Abdominal CT. axial view. soft-tissue window (W 400 / L 40). acquired on Brilliance16
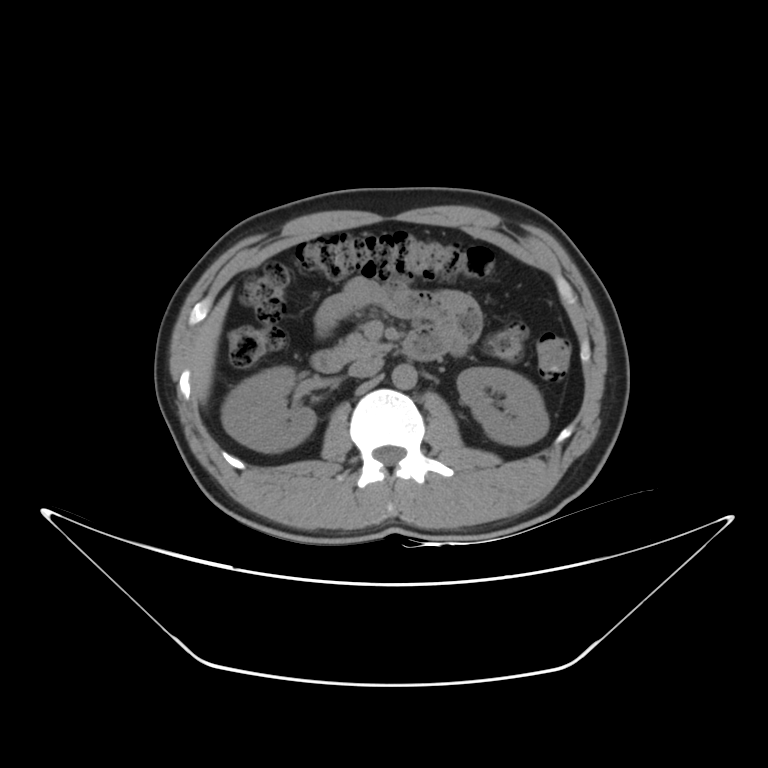 <organs><organ name="right kidney" x1="221" y1="366" x2="316" y2="451"/><organ name="left kidney" x1="456" y1="366" x2="549" y2="445"/><organ name="liver" x1="190" y1="288" x2="232" y2="403"/><organ name="aorta" x1="391" y1="364" x2="416" y2="389"/><organ name="inferior vena cava" x1="348" y1="357" x2="382" y2="377"/><organ name="pancreas" x1="333" y1="333" x2="391" y2="360"/><organ name="duodenum" x1="311" y1="329" x2="445" y2="372"/></organs>